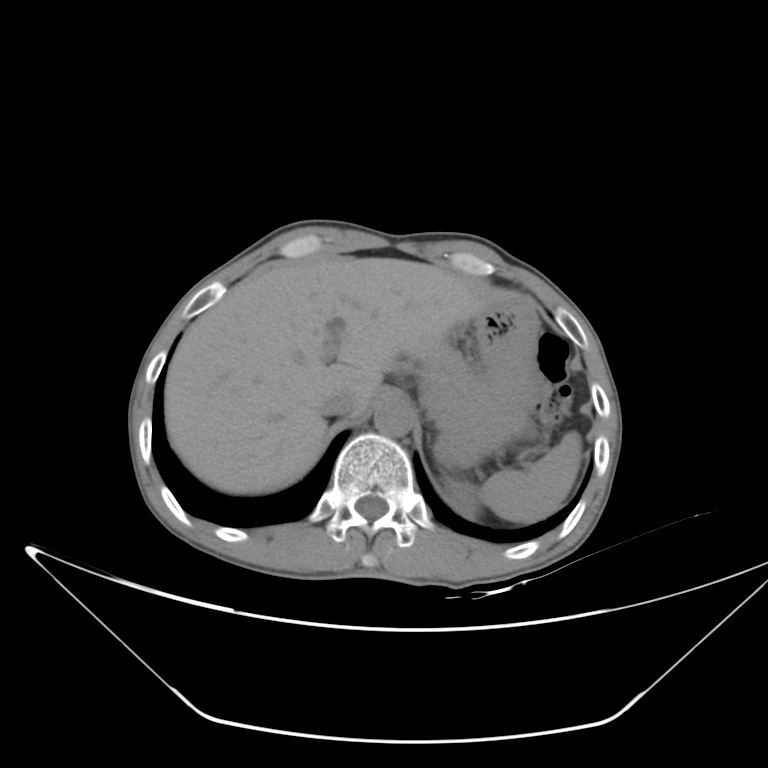

CT abdomen; axial view
<organs><organ name="spleen" x1="480" y1="431" x2="581" y2="522"/><organ name="left kidney" x1="445" y1="478" x2="480" y2="516"/><organ name="liver" x1="164" y1="256" x2="498" y2="493"/><organ name="stomach" x1="428" y1="291" x2="541" y2="464"/><organ name="aorta" x1="373" y1="396" x2="414" y2="437"/><organ name="inferior vena cava" x1="318" y1="389" x2="358" y2="415"/><organ name="pancreas" x1="424" y1="343" x2="479" y2="410"/></organs>